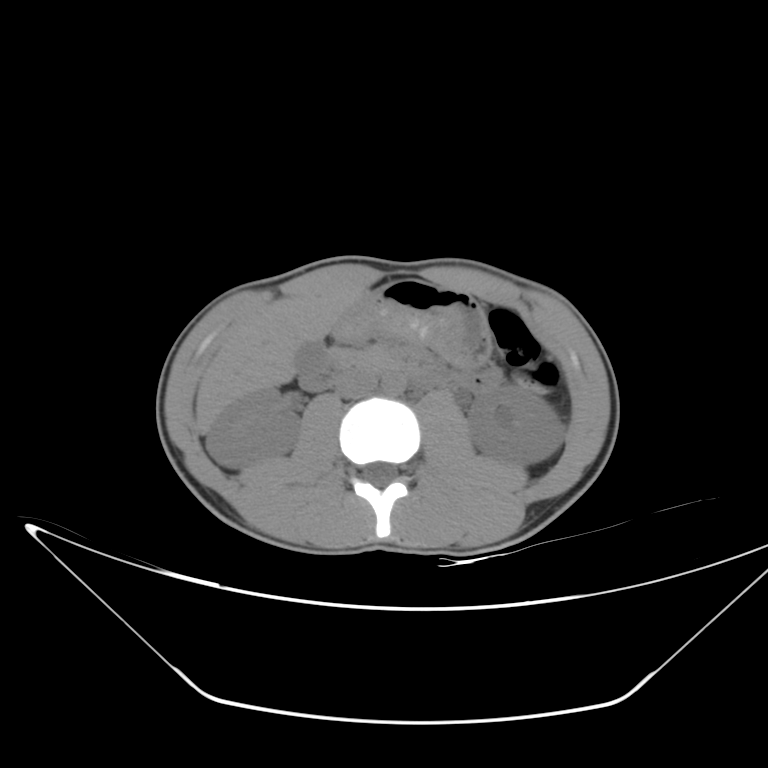

CT, abdomen/pelvis · axial plane, index 50 · abdomen soft-tissue window · 39-year-old male patient
<organs><organ name="right kidney" x1="205" y1="387" x2="299" y2="468"/><organ name="left kidney" x1="468" y1="385" x2="563" y2="465"/><organ name="gall bladder" x1="295" y1="341" x2="324" y2="370"/><organ name="liver" x1="195" y1="284" x2="361" y2="433"/><organ name="stomach" x1="337" y1="280" x2="491" y2="367"/><organ name="aorta" x1="381" y1="372" x2="406" y2="395"/><organ name="inferior vena cava" x1="334" y1="371" x2="377" y2="398"/><organ name="pancreas" x1="331" y1="347" x2="399" y2="373"/><organ name="duodenum" x1="299" y1="350" x2="442" y2="390"/></organs>